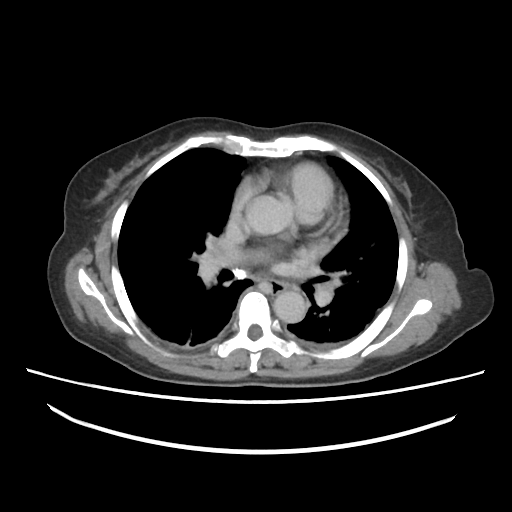

CT of the abdomen reaching into the lower chest, slice just above the liver and spleen — axial view — 512x512 px — 71-year-old female patient
No part of the heart or lungs is labeled in this dataset, so neither has a box here.
Bounding boxes in pixels, one row per box: x1, y1 is the top-left corner and x2, y2 the bottom-right.
| organ | x1 | y1 | x2 | y2 |
|---|---|---|---|---|
| aorta | 272 | 292 | 307 | 322 |
| esophagus | 268 | 280 | 290 | 292 |